Abdominal CT; Axial slice 199/218; 512x512 px
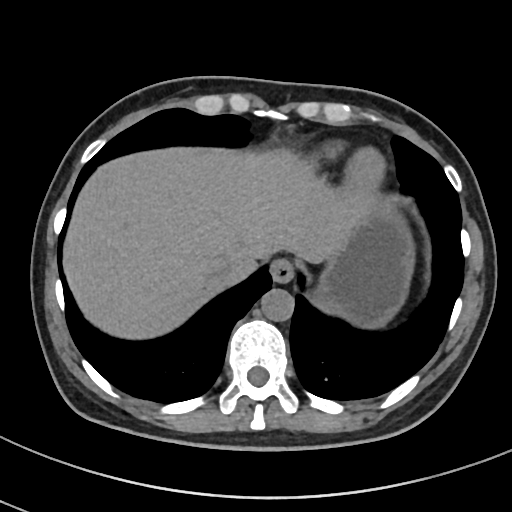
Boxes are (x1, y1, x2, y2) in pixels.
aorta: (261, 289, 294, 322)
stomach: (313, 203, 411, 326)
inferior vena cava: (209, 264, 234, 285)
esophagus: (271, 259, 293, 283)
liver: (64, 147, 381, 338)